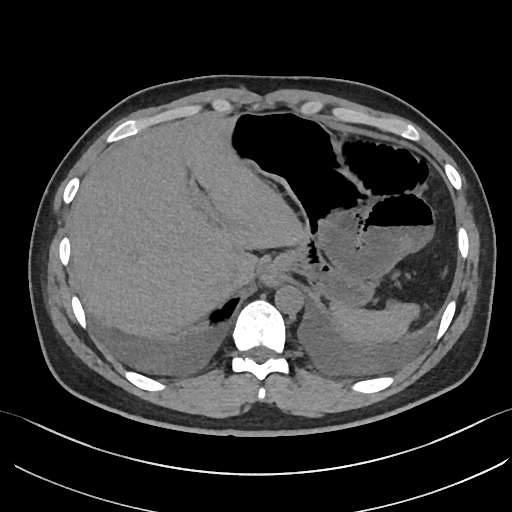

Computed tomography, abdomen. axial view
Coordinates as <box>x1,y1,x2,y2</box> in pixels.
liver: <box>69,116,300,339</box>
inferior vena cava: <box>220,266,243,289</box>
aorta: <box>274,285,303,314</box>
stomach: <box>230,111,394,304</box>
spleen: <box>329,302,419,344</box>